Computed tomography, abdomen. Axial slice 147/242. abdomen soft-tissue window. 512x512 px. SOMATOM Force scanner
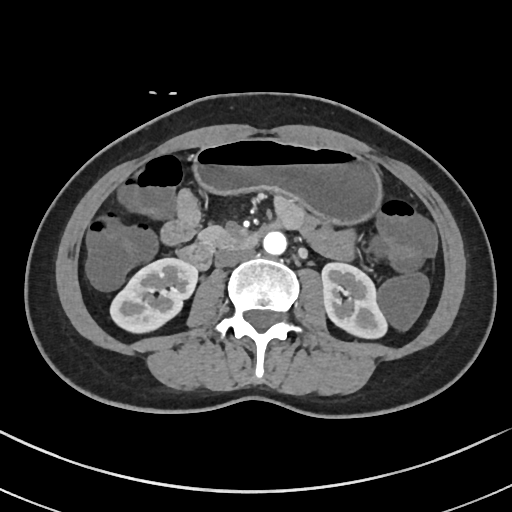
{"organs":{"right kidney":[111,258,196,331],"left kidney":[322,263,385,337],"stomach":[194,138,381,221],"aorta":[263,231,286,254],"inferior vena cava":[215,247,253,266],"pancreas":[199,226,224,241],"duodenum":[178,220,282,270]}}